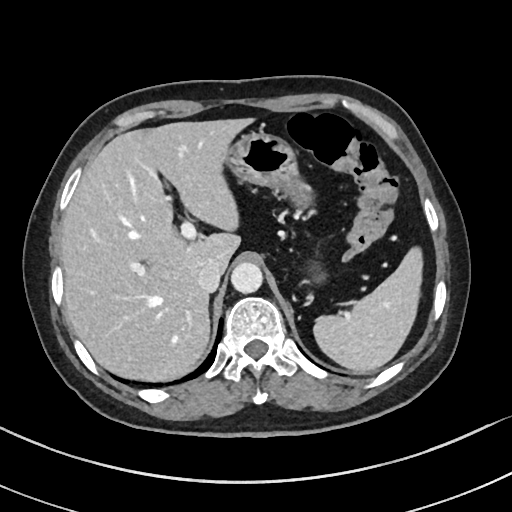

CT abdomen. axial view. abdomen soft-tissue window
Boxes: x1:y1:x2:y2 in pixels.
Organ bounding boxes:
- spleen: 312:248:421:372
- liver: 60:117:256:379
- stomach: 228:130:313:209
- aorta: 231:262:263:293
- inferior vena cava: 198:261:223:292